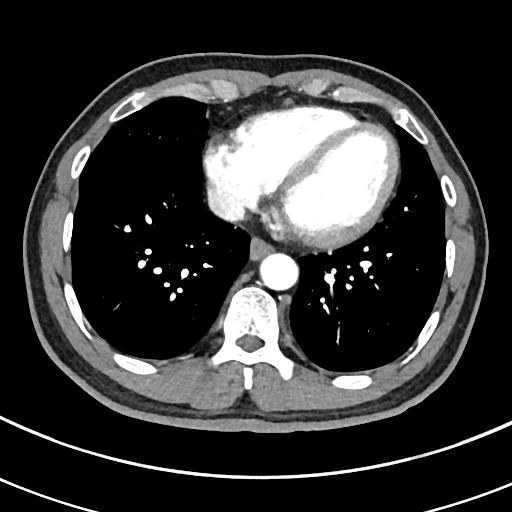
Abdominal CT; this slice is in the lower chest, just above the liver; axial view; 512x512 px
No part of the heart or lungs is labeled in this dataset, so neither has a box here. Box edges are left/top/right/bottom in pixels. Labeled organs on this slice: esophagus at left=249, top=237, right=273, bottom=260, aorta at left=260, top=253, right=298, bottom=290, inferior vena cava at left=207, top=187, right=245, bottom=221.